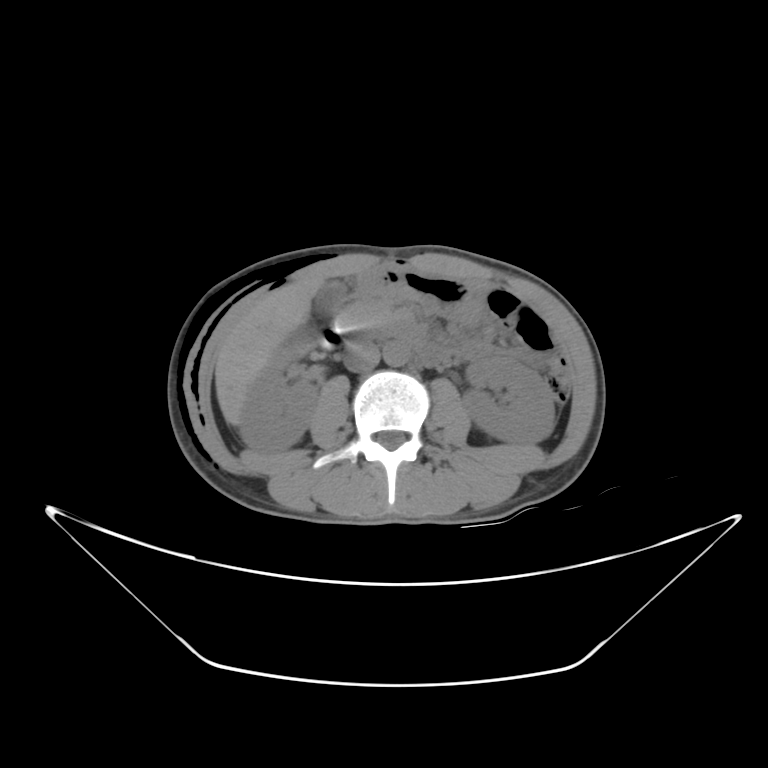

CT, abdomen/pelvis — axial view — 15 organs annotated in this scan (that count is for the whole scan; organs this slice misses have no box)
Boxes: x1 y1 x2 y2 (pixel coords, space-separated).
Organ bounding boxes:
- right kidney: 241 334 317 452
- left kidney: 461 356 556 446
- gall bladder: 313 280 349 322
- liver: 215 273 333 427
- stomach: 357 263 494 322
- aorta: 382 342 410 365
- inferior vena cava: 342 342 380 373
- pancreas: 334 298 410 339
- duodenum: 317 328 451 369